CT, abdomen/pelvis — axial view — soft-tissue window (W 400 / L 40) — scan has 15 labeled organs (counted over the whole 3D scan, not this slice; an organ is boxed only where this slice passes through it)
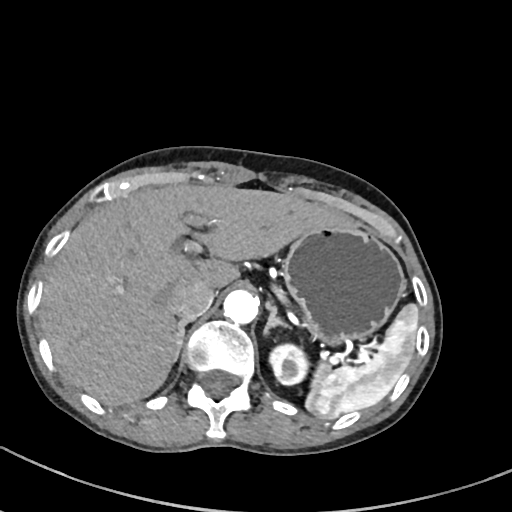

{"organs":{"stomach":[282,225,405,341],"spleen":[305,305,418,418],"right adrenal gland":[174,318,189,362],"left kidney":[268,342,307,386],"aorta":[223,289,258,323],"left adrenal gland":[264,301,291,332],"liver":[40,183,353,406],"inferior vena cava":[172,280,214,319]}}